CT abdomen. axial view
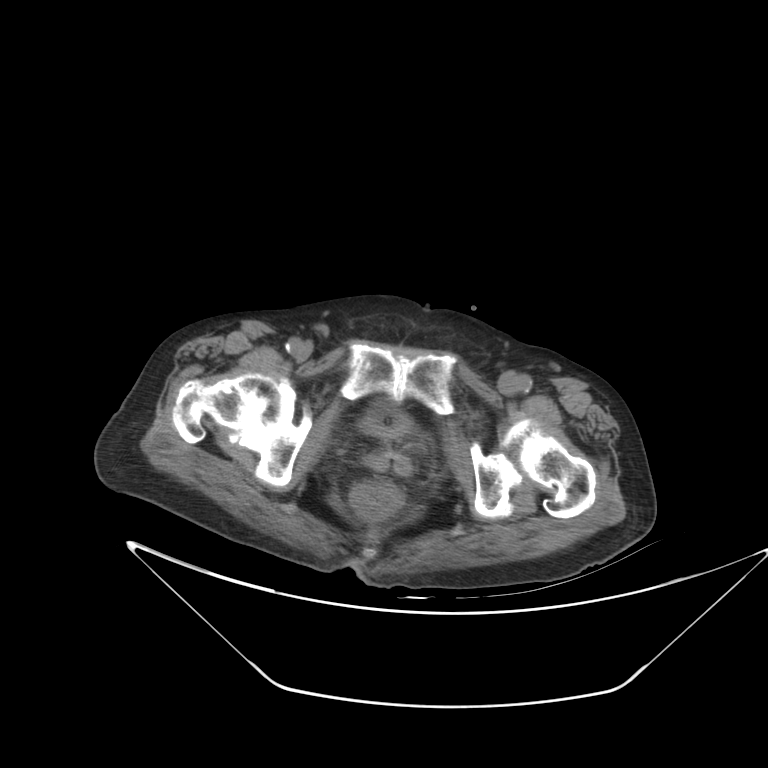 <organs><organ name="bladder" x1="364" y1="401" x2="409" y2="436"/></organs>